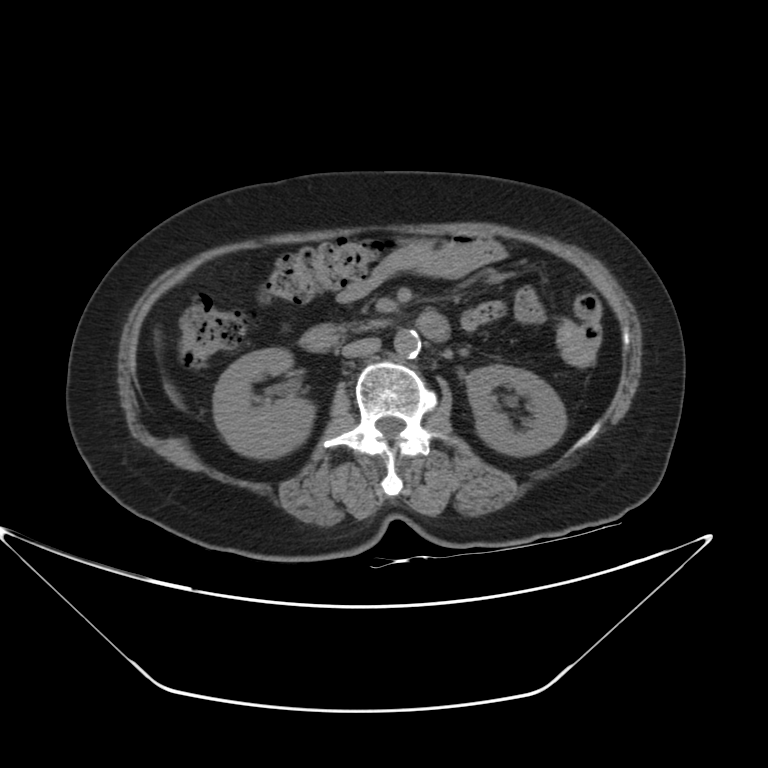
CT, abdomen/pelvis · Axial slice 58/97 · 768x768 px · scan has 15 labeled organs (a whole-scan count: organs this slice does not pass through have no box)
Boxes are (x1, y1, x2, y2) in pixels.
Organ bounding boxes:
- right kidney: (213, 348, 314, 458)
- inferior vena cava: (342, 337, 380, 357)
- duodenum: (299, 311, 450, 352)
- pancreas: (350, 321, 386, 329)
- aorta: (393, 329, 421, 357)
- liver: (164, 384, 181, 406)
- left kidney: (466, 365, 566, 456)